Abdominal CT · axial view · SOMATOM Force scanner · scan has 15 labeled organs (counted over the whole 3D scan, not this slice; an organ is boxed only where this slice passes through it)
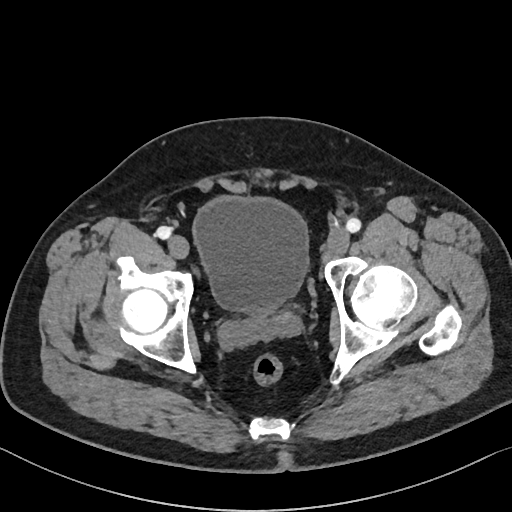

Boxes: x1 y1 x2 y2 (pixel coords, space-separated). 1 labeled organ on this slice — bladder at 192 195 308 314.